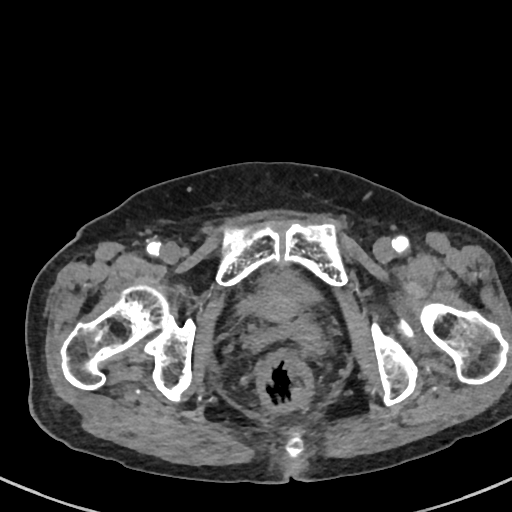

CT abdomen · axial view
Boxes: x1:y1:x2:y2 in pixels. Labeled organs on this slice: bladder at 237:271:320:314.